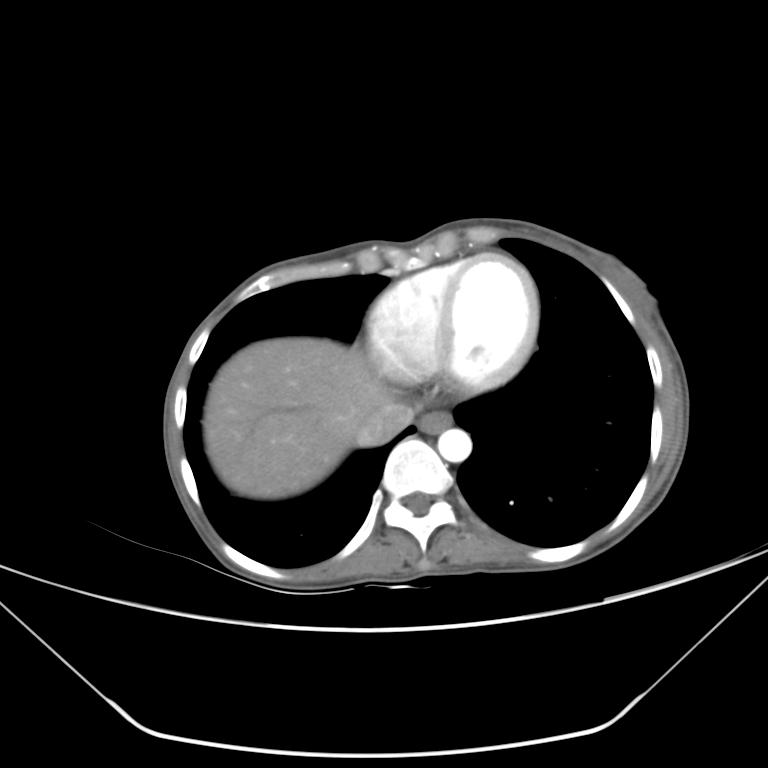

CT, abdomen/pelvis; axial view; 768x768 px
Bounding boxes as [x1, y1, x2, y2] in pixel coordinates.
esophagus: [419, 412, 452, 433]
liver: [203, 338, 384, 498]
aorta: [437, 428, 472, 462]
inferior vena cava: [354, 401, 414, 446]